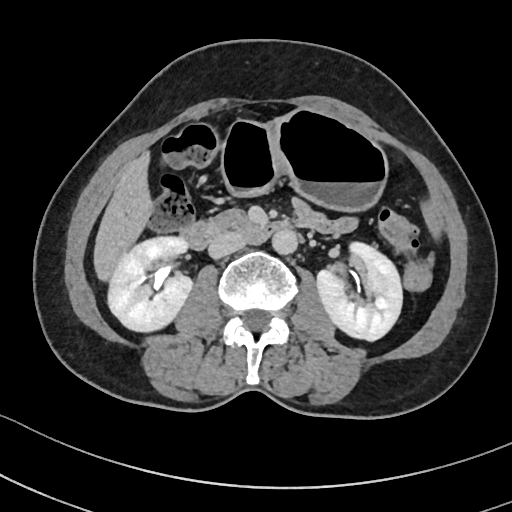

Computed tomography, abdomen; axial view; 512x512 px; 15 organs annotated in this scan (a whole-scan count: organs this slice does not pass through have no box)
Coordinates as <box>x1,y1,x2,y2</box> in pixels.
left kidney: <box>317,242,402,340</box>
right kidney: <box>107,236,192,331</box>
duodenum: <box>181,218,289,249</box>
stomach: <box>220,110,387,211</box>
inferior vena cava: <box>208,231,246,258</box>
aorta: <box>272,229,297,254</box>
pancreas: <box>213,209,245,225</box>
liver: <box>93,151,153,280</box>